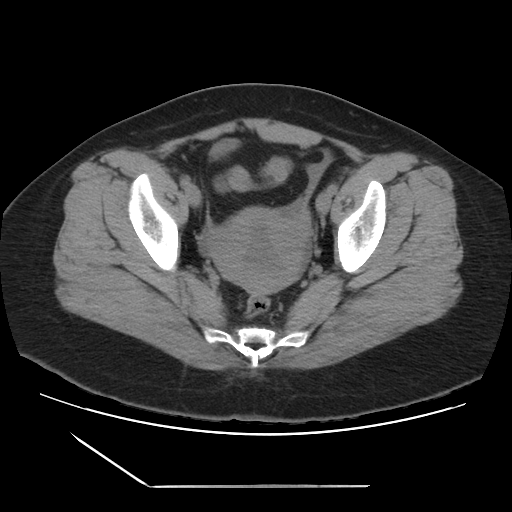

CT abdomen — axial view — 15 organs annotated in this scan (counted over the whole 3D scan, not this slice; an organ is boxed only where this slice passes through it)
Boxes: x1:y1:x2:y2 in pixels.
bladder: 210:138:236:155
prostate/uterus: 213:207:307:293